Abdominal CT; Axial slice 170/307; soft-tissue window; 512x512 px
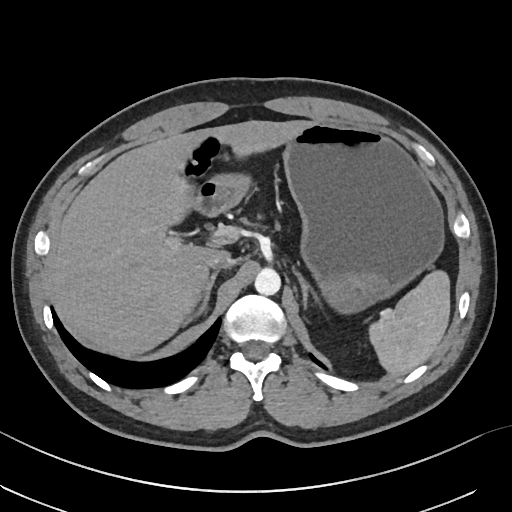

Each box given as x1,y1,x2,y2. 8 labeled organs on this slice — spleen at x1=368, y1=271, x2=450, y2=376; liver at x1=54, y1=120, x2=308, y2=357; stomach at x1=204, y1=121, x2=442, y2=313; aorta at x1=254, y1=266, x2=280, y2=294; inferior vena cava at x1=207, y1=253, x2=235, y2=270; right adrenal gland at x1=182, y1=270, x2=217, y2=325; left adrenal gland at x1=293, y1=267, x2=318, y2=303; duodenum at x1=194, y1=184, x2=226, y2=217.